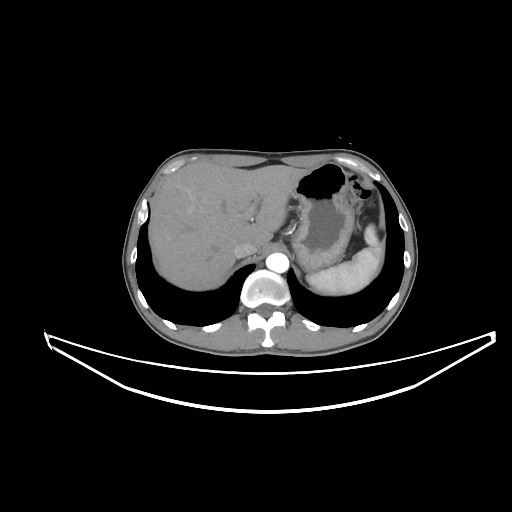
CT, abdomen/pelvis; axial view; 52-year-old male patient
Boxes are (x1, y1, x2, y2) in pixels. 5 labeled organs on this slice — spleen at (306, 224, 382, 294); aorta at (266, 253, 288, 272); stomach at (291, 163, 354, 270); inferior vena cava at (233, 241, 257, 257); liver at (151, 161, 309, 290).